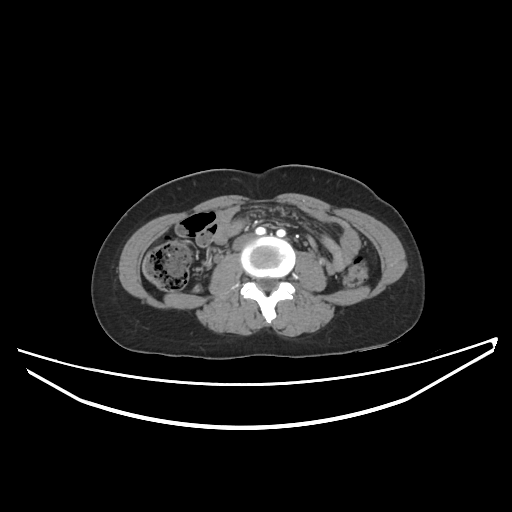
Abdominal CT. axial view. soft-tissue window. Aquilion ONE scanner
Box edges are left/top/right/bottom in pixels. The annotated organs in this slice are: inferior vena cava at left=233, top=234, right=253, bottom=250.